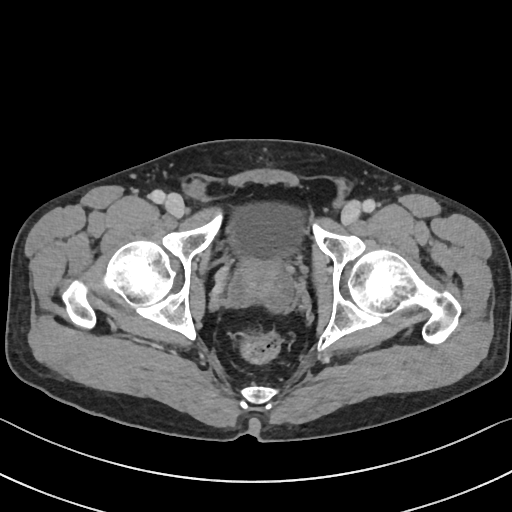

CT, abdomen/pelvis; axial plane, index 21; 512x512 px
Boxes: x1:y1:x2:y2 in pixels.
Organ bounding boxes:
- bladder: 228:202:306:260
- prostate/uterus: 230:259:292:309